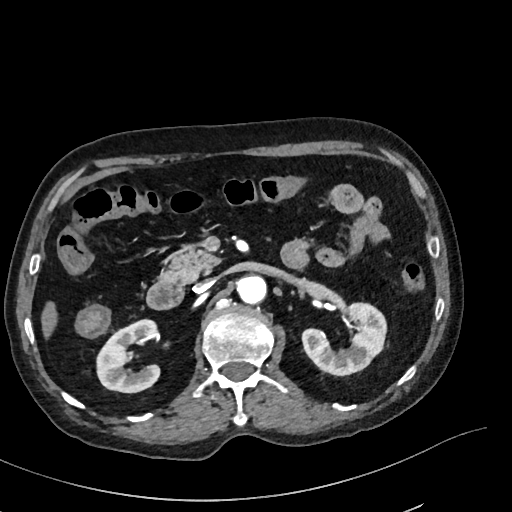
CT, abdomen/pelvis · axial view · W/L 400/40 HU · 512x512 px · SOMATOM Force scanner · 15 organs annotated in this scan (a whole-scan count: organs this slice does not pass through have no box)
<organs><organ name="right kidney" x1="98" y1="319" x2="158" y2="392"/><organ name="left kidney" x1="303" y1="302" x2="387" y2="375"/><organ name="liver" x1="42" y1="302" x2="56" y2="336"/><organ name="aorta" x1="237" y1="274" x2="267" y2="302"/><organ name="inferior vena cava" x1="194" y1="279" x2="213" y2="292"/><organ name="pancreas" x1="160" y1="247" x2="220" y2="284"/><organ name="duodenum" x1="146" y1="278" x2="181" y2="310"/></organs>